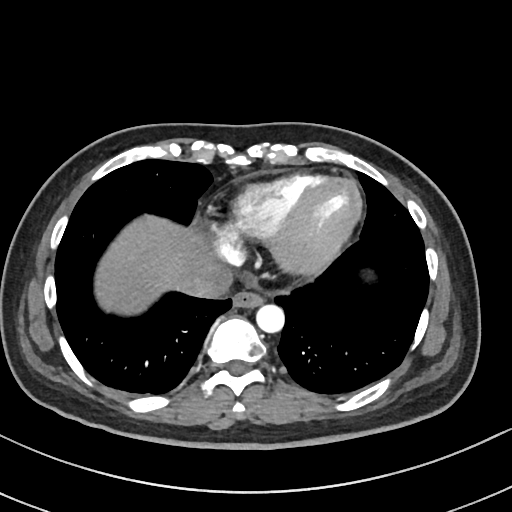
Computed tomography, abdomen · Axial slice 188/191 · 512x512 px · acquired on SOMATOM Force · 15 organs annotated in this scan (counted over the whole 3D scan, not this slice; an organ is boxed only where this slice passes through it)
Bounding boxes in pixels, one row per box: x1, y1 is the top-left corner and x2, y2 the bottom-right.
| organ | x1 | y1 | x2 | y2 |
|---|---|---|---|---|
| esophagus | 233 | 290 | 263 | 307 |
| inferior vena cava | 182 | 263 | 233 | 298 |
| aorta | 255 | 304 | 284 | 333 |
| liver | 94 | 215 | 215 | 315 |